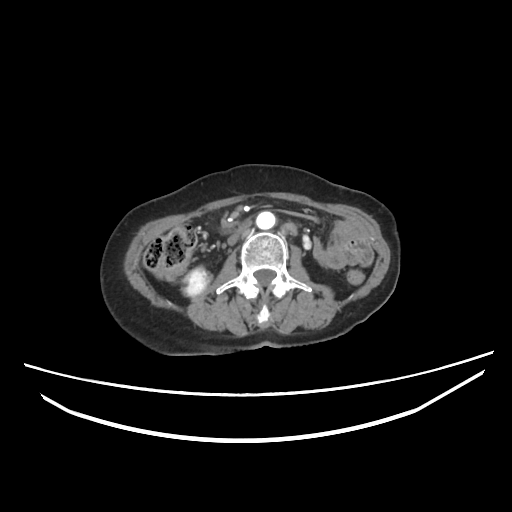 Abdominal CT; axial view; 512x512 px; Aquilion ONE scanner
Boxes: x1 y1 x2 y2 (pixel coords, space-separated). The annotated organs in this slice are: right kidney at 182 270 209 295, aorta at 256 210 276 229, inferior vena cava at 227 221 250 245.